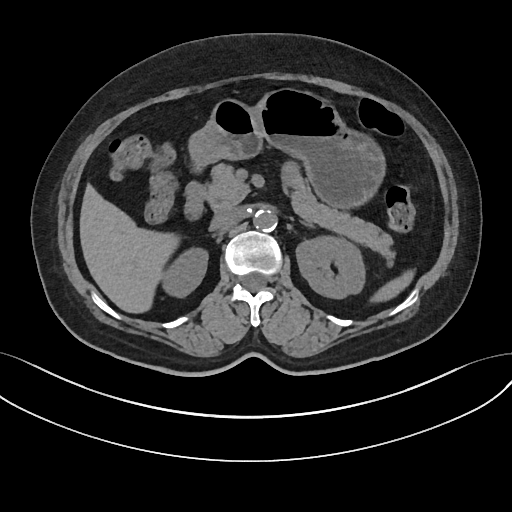 CT, abdomen/pelvis. axial view. W/L 400/40 HU
<organs><organ name="pancreas" x1="206" y1="163" x2="395" y2="265"/><organ name="left adrenal gland" x1="301" y1="221" x2="312" y2="227"/><organ name="stomach" x1="189" y1="88" x2="385" y2="208"/><organ name="aorta" x1="253" y1="209" x2="277" y2="231"/><organ name="right kidney" x1="162" y1="247" x2="207" y2="297"/><organ name="liver" x1="79" y1="184" x2="179" y2="313"/><organ name="left kidney" x1="296" y1="236" x2="365" y2="298"/><organ name="spleen" x1="370" y1="269" x2="414" y2="302"/><organ name="duodenum" x1="184" y1="163" x2="205" y2="219"/><organ name="inferior vena cava" x1="211" y1="208" x2="241" y2="228"/></organs>